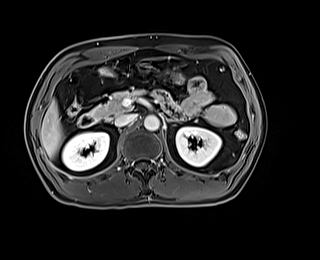 Abdominal MR · axial view · percentile-normalized · 320x260 px
Coordinates as <box>x1,y1,x2,y2</box> in pixels.
Organ bounding boxes:
- right kidney: <box>62,132,109,170</box>
- left kidney: <box>176,127,221,166</box>
- liver: <box>40,100,63,158</box>
- aorta: <box>144,115,159,131</box>
- inferior vena cava: <box>114,114,136,126</box>
- pancreas: <box>91,89,163,119</box>
- left adrenal gland: <box>166,119,175,122</box>
- duodenum: <box>77,112,98,127</box>